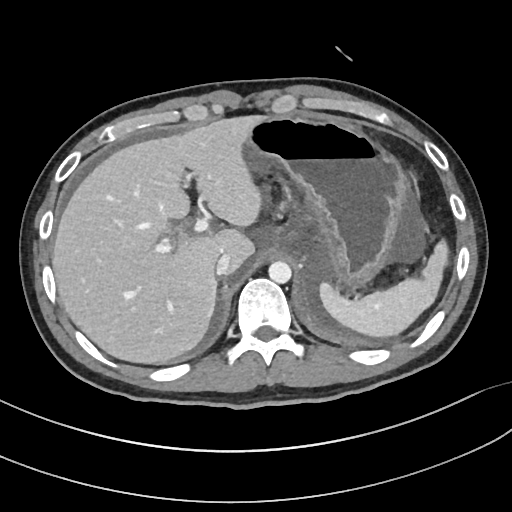
Computed tomography, abdomen — axial view — soft-tissue window
Boxes are (x1, y1, x2, y2) in pixels.
Organ bounding boxes:
- aorta: (269, 261, 291, 283)
- liver: (52, 116, 263, 363)
- spleen: (319, 241, 448, 336)
- inferior vena cava: (216, 253, 230, 274)
- stomach: (248, 116, 412, 290)